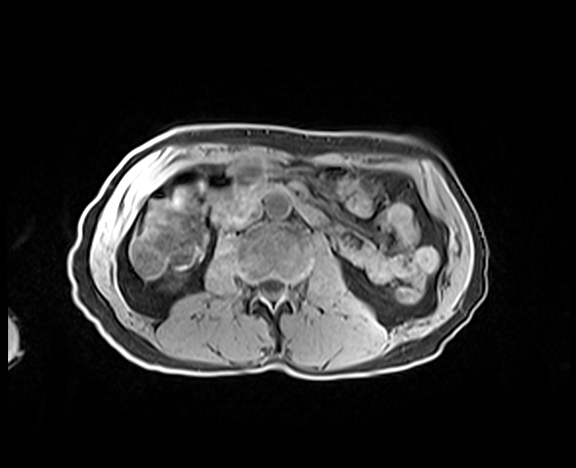
Abdominal MRI; axial view; percentile-normalized; 576x468 px; 13 organs annotated in this scan (that count is for the whole scan; organs this slice misses have no box)
<organs><organ name="aorta" x1="265" y1="193" x2="291" y2="219"/><organ name="inferior vena cava" x1="227" y1="207" x2="260" y2="228"/><organ name="duodenum" x1="212" y1="183" x2="328" y2="227"/></organs>